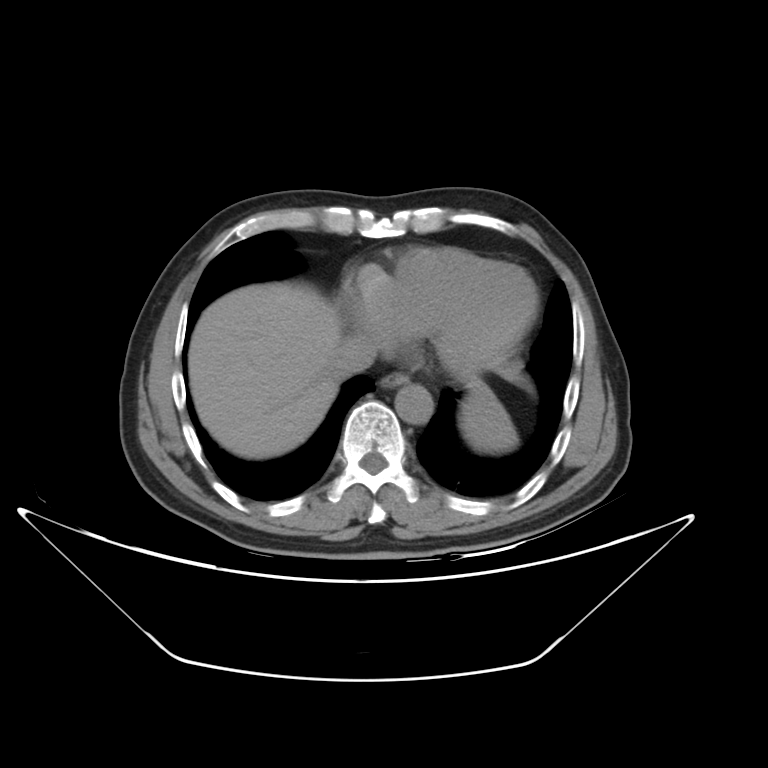

CT, abdomen/pelvis; axial plane, index 92; 71-year-old male patient; scan has 15 labeled organs (counted over the whole 3D scan, not this slice; an organ is boxed only where this slice passes through it)
Coordinates as <box>x1,y1,x2,y2</box> in pixels. 5 labeled organs on this slice — spleen at <box>462,384,517,451</box>; esophagus at <box>382,372,405,385</box>; liver at <box>187,282,342,458</box>; aorta at <box>395,384,432,423</box>; inferior vena cava at <box>331,335,376,377</box>.